CT, abdomen/pelvis · axial plane, index 53 · 512x512 px
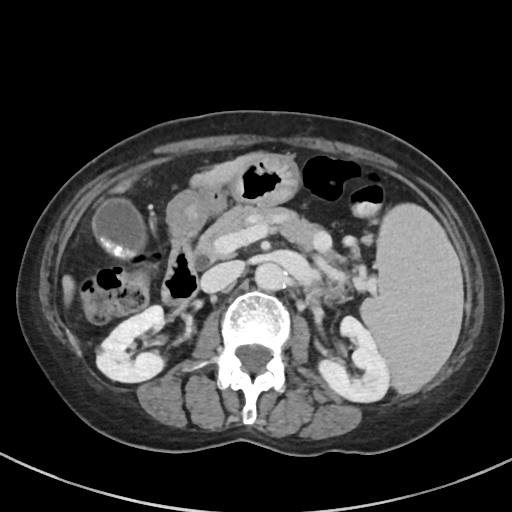
Bounding boxes in pixels, one row per box: x1, y1 is the top-left corner and x2, y2 the bottom-right.
| organ | x1 | y1 | x2 | y2 |
|---|---|---|---|---|
| inferior vena cava | 200 | 261 | 243 | 292 |
| spleen | 360 | 204 | 462 | 393 |
| duodenum | 161 | 235 | 198 | 305 |
| aorta | 254 | 263 | 285 | 290 |
| right kidney | 96 | 305 | 193 | 382 |
| stomach | 166 | 154 | 300 | 234 |
| pancreas | 196 | 205 | 343 | 301 |
| left kidney | 318 | 316 | 389 | 401 |
| liver | 62 | 152 | 264 | 304 |
| gall bladder | 92 | 198 | 145 | 257 |